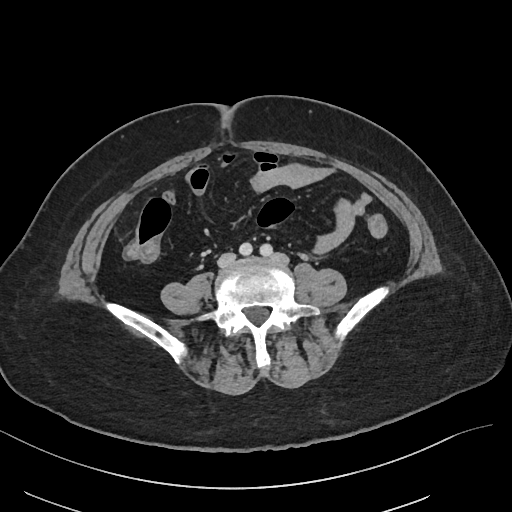

CT abdomen. axial view
Coordinates as <box>x1,y1,x2,y2</box> in pixels.
inferior vena cava: <box>219,252,235,264</box>